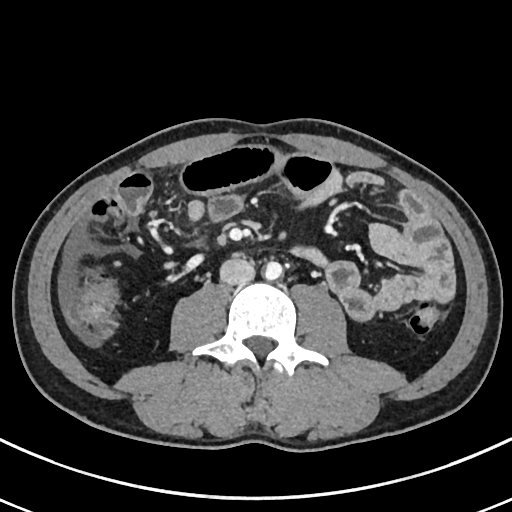 Abdominal CT; axial plane, index 108; W/L 400/40 HU
Bounding boxes as [x1, y1, x2, y2] in pixel coordinates.
Organ bounding boxes:
- aorta: [264, 261, 282, 280]
- inferior vena cava: [219, 258, 255, 285]